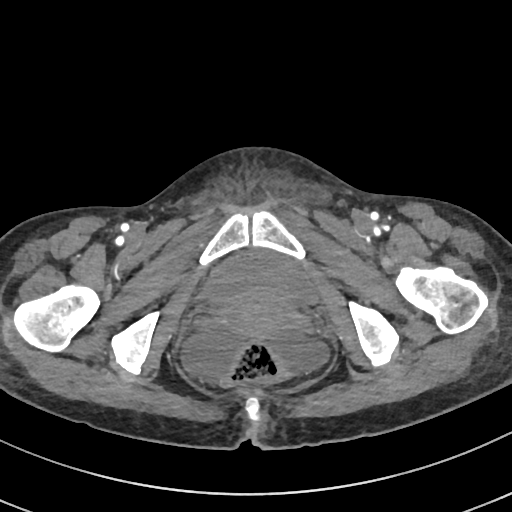 CT, abdomen/pelvis — axial view — 512x512 px — scan has 15 labeled organs (a whole-scan count: organs this slice does not pass through have no box)
Bounding boxes in pixels, one row per box: x1, y1 is the top-left corner and x2, y2 the bottom-right.
| organ | x1 | y1 | x2 | y2 |
|---|---|---|---|---|
| bladder | 204 | 250 | 318 | 304 |
| prostate/uterus | 227 | 291 | 289 | 338 |